Computed tomography, abdomen; Axial slice 121/219; soft-tissue window
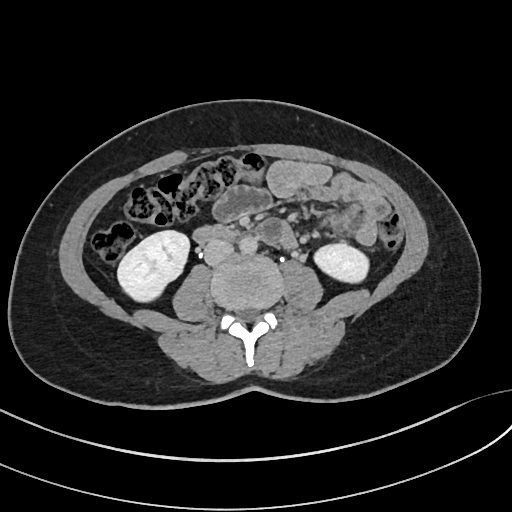

Box edges are left/top/right/bottom in pixels. Labeled organs on this slice: right kidney at left=117, top=230, right=189, bottom=301, left kidney at left=314, top=243, right=368, bottom=282, aorta at left=239, top=237, right=257, bottom=254, inferior vena cava at left=204, top=239, right=233, bottom=265, duodenum at left=193, top=225, right=235, bottom=244.